Abdominal CT. axial plane, index 21
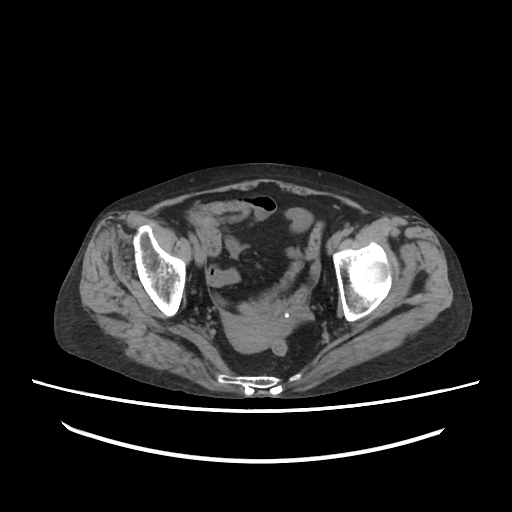

<organs><organ name="prostate/uterus" x1="225" y1="313" x2="280" y2="352"/></organs>